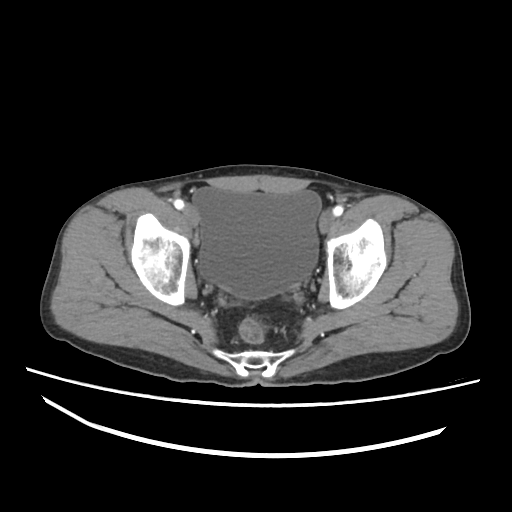
CT, abdomen/pelvis — Axial slice 28/140
Coordinates as <box>x1,y1,x2,y2</box> in pixels.
Organ bounding boxes:
- bladder: <box>193,187,320,299</box>